CT of the abdomen reaching into the lower chest, slice just above the liver and spleen; axial plane, index 98; soft-tissue window, W/L 400/40; scan has 15 labeled organs (that count is for the whole scan; organs this slice misses have no box)
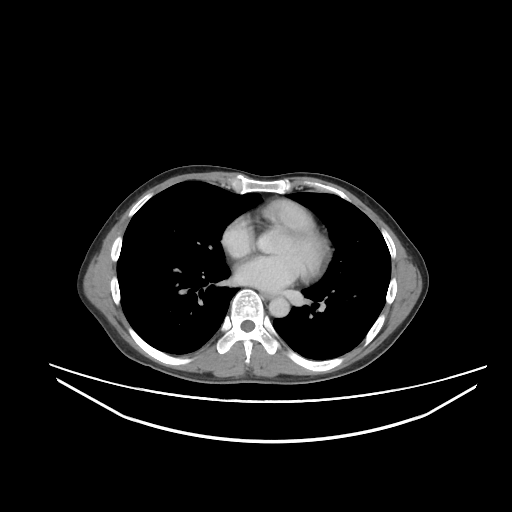

The heart and lungs are never labeled in this dataset, so they have no box on this slice.
One row per box, in pixels: columns x1 and y1 give the top-left corner, x2 and y2 the bottom-right.
| organ | x1 | y1 | x2 | y2 |
|---|---|---|---|---|
| aorta | 268 | 297 | 289 | 317 |
| esophagus | 262 | 293 | 272 | 298 |